Chest-level CT slice, above the liver and spleen · axial view · W/L 400/40 HU · 512x512 px
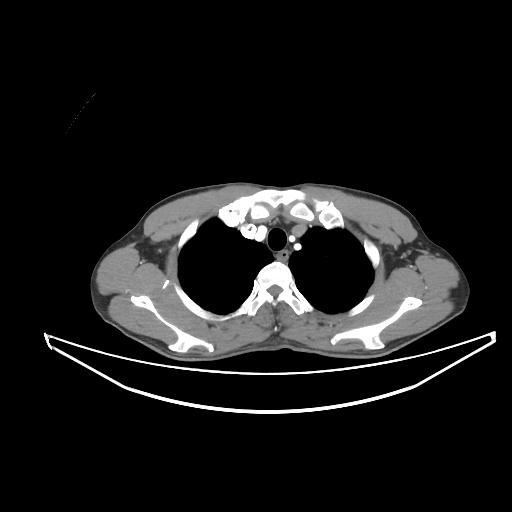
At this level of the chest no structure but the esophagus and the aorta has a label in this dataset, and those two are boxed only where they are labeled.
Boxes: x1 y1 x2 y2 (pixel coords, space-separated).
esophagus: 276 250 286 259